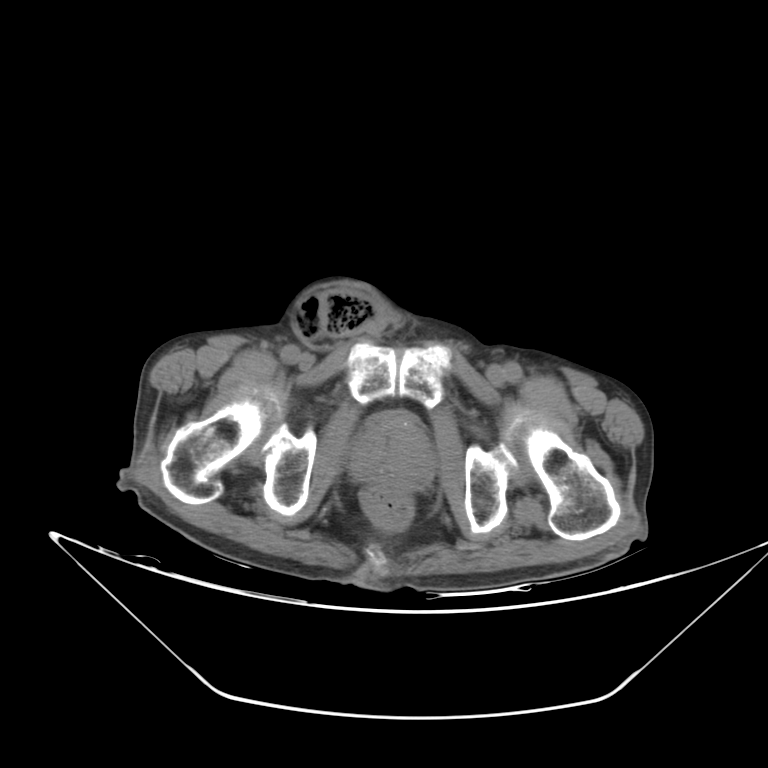

Abdominal CT — Axial slice 10/80 — 768x768 px — Brilliance16 scanner — 15 organs annotated in this scan (that count is for the whole scan; organs this slice misses have no box)
Each box given as x1,y1,x2,y2. The annotated organs in this slice are: prostate/uterus at x1=350, y1=418, x2=435, y2=490.